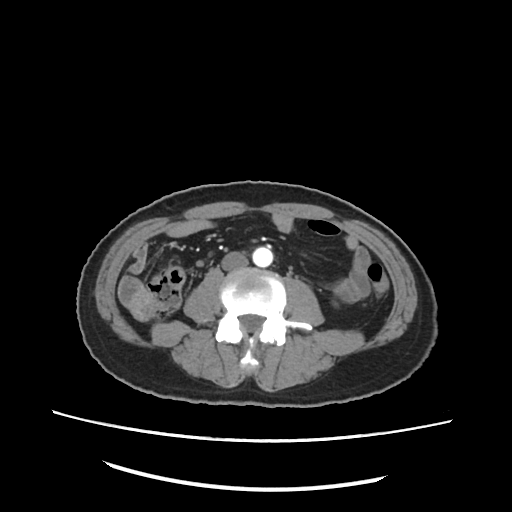

Computed tomography, abdomen — axial view — abdomen soft-tissue window — 512x512 px — 54-year-old male patient
Bounding boxes in pixels, one row per box: x1, y1 is the top-left corner and x2, y2 the bottom-right.
| organ | x1 | y1 | x2 | y2 |
|---|---|---|---|---|
| aorta | 252 | 247 | 272 | 266 |
| inferior vena cava | 222 | 250 | 248 | 270 |